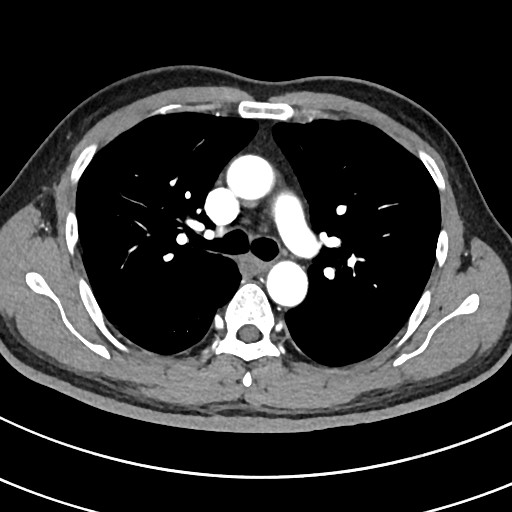 Abdominal CT reaching into the chest; this slice is in the chest — Axial slice 248/302 — W/L 400/40 HU
At this level of the chest this dataset labels only the esophagus and the aorta, and each is boxed only where it is labeled; the heart and lungs are never labeled.
Each box given as x1,y1,x2,y2.
Organ bounding boxes:
- esophagus: x1=241, y1=257, x2=265, y2=272
- aorta: x1=227, y1=155, x2=275, y2=200
- aorta: x1=266, y1=258, x2=307, y2=305